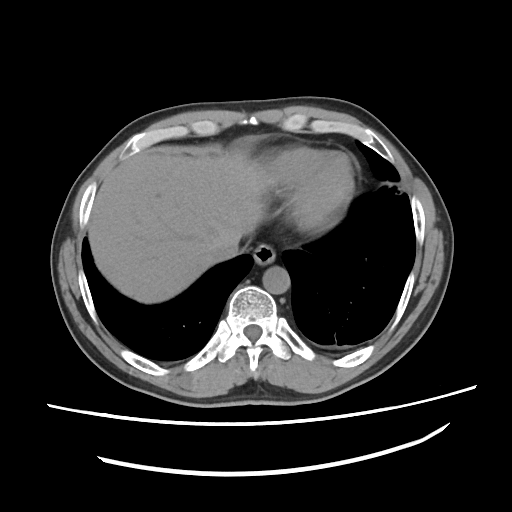
CT abdomen — axial plane, index 84 — 512x512 px — Aquilion ONE scanner
{"organs":{"esophagus":[253,244,275,264],"liver":[88,154,268,302],"aorta":[262,265,290,295],"inferior vena cava":[213,240,238,261]}}